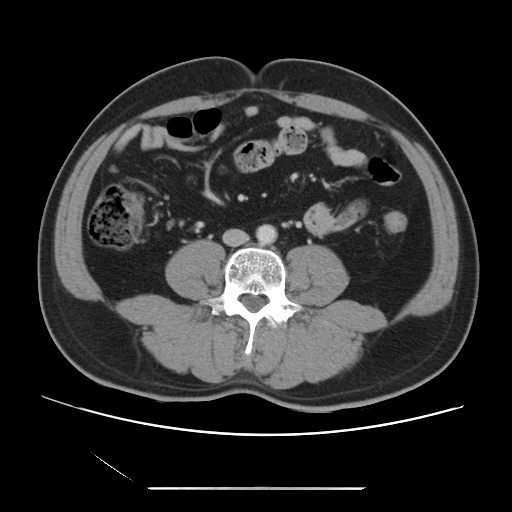 Abdominal CT — axial view — 512x512 px
Boxes are (x1, y1, x2, y2) in pixels.
Organ bounding boxes:
- inferior vena cava: (222, 229, 249, 246)
- aorta: (256, 224, 276, 244)